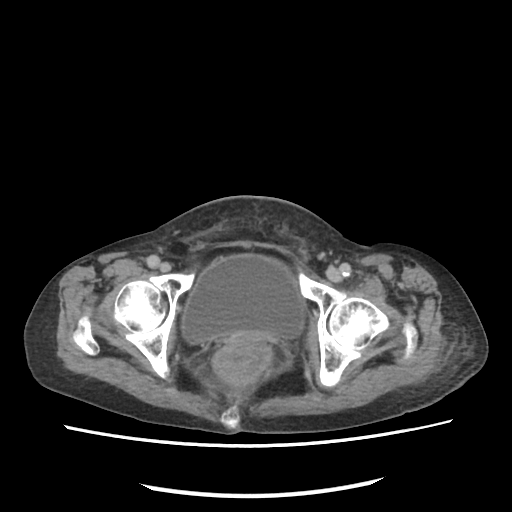

CT, abdomen/pelvis · axial view · abdomen soft-tissue window · 52-year-old female patient
Bounding boxes as [x1, y1, x2, y2] in pixel coordinates.
Organ bounding boxes:
- bladder: [182, 255, 304, 343]